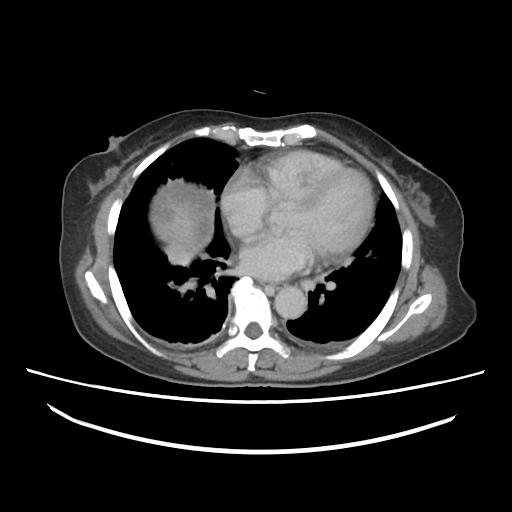 CT, abdomen/pelvis · axial view · 512x512 px · Aquilion ONE scanner
Each box given as x1,y1,x2,y2.
Organ bounding boxes:
- esophagus: x1=260, y1=282, x2=287, y2=289
- liver: x1=149, y1=179, x2=213, y2=266
- aorta: x1=272, y1=286, x2=307, y2=318